Abdominal MRI; Axial slice 55/72
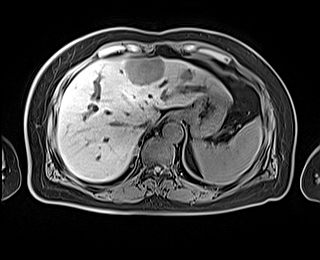 Boxes: x1 y1 x2 y2 (pixel coords, space-separated).
spleen: 192 117 262 185
liver: 57 57 229 181
stomach: 173 89 227 137
aorta: 162 122 183 142
inferior vena cava: 139 119 151 131